CT abdomen. Axial slice 304/353
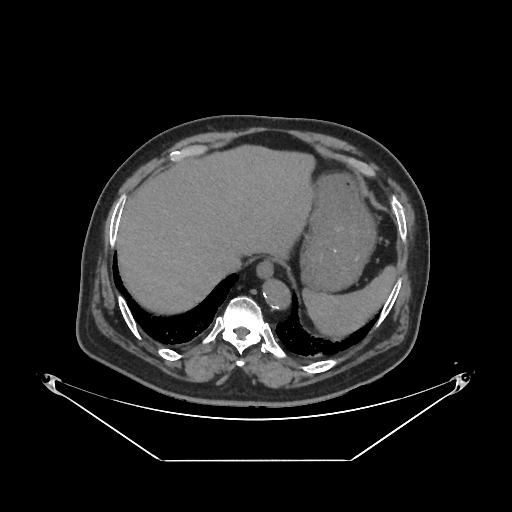 Box edges are left/top/right/bottom in pixels.
Organ bounding boxes:
- aorta: left=262, top=278, right=290, bottom=308
- stomach: left=300, top=172, right=376, bottom=291
- inferior vena cava: left=220, top=254, right=240, bottom=273
- esophagus: left=256, top=258, right=273, bottom=277
- liver: left=116, top=144, right=313, bottom=315
- spleen: left=303, top=267, right=397, bottom=338